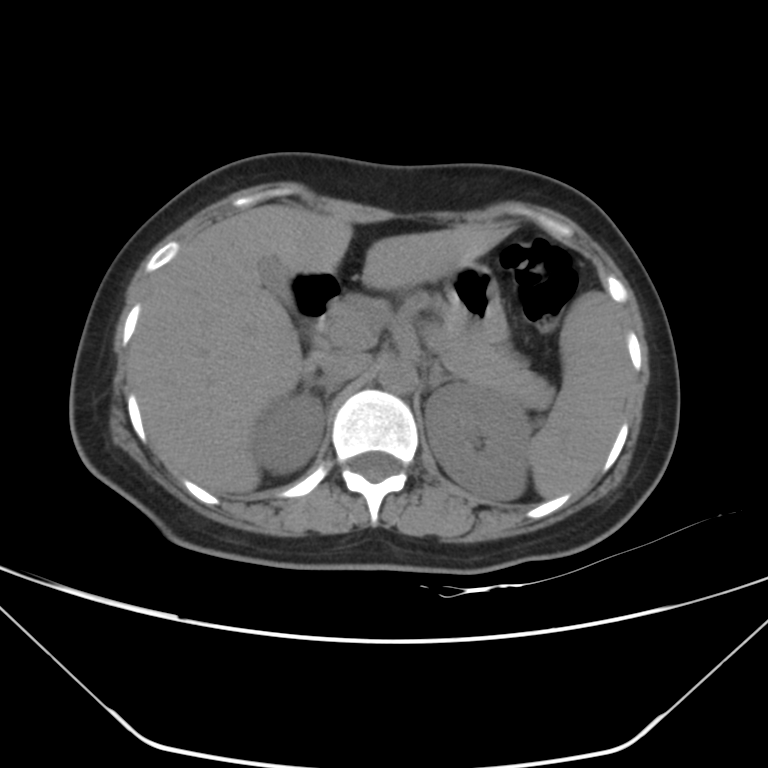
Computed tomography, abdomen · axial plane, index 64 · 768x768 px
Bounding boxes as [x1, y1, x2, y2] in pixel coordinates.
Organ bounding boxes:
- spleen: [529, 291, 630, 498]
- right kidney: [252, 391, 324, 473]
- left kidney: [425, 384, 530, 501]
- gall bladder: [259, 255, 292, 307]
- liver: [129, 205, 505, 493]
- stomach: [445, 262, 506, 345]
- aorta: [379, 359, 417, 393]
- inferior vena cava: [323, 352, 371, 381]
- pancreas: [406, 293, 552, 410]
- right adrenal gland: [304, 379, 341, 400]
- left adrenal gland: [428, 364, 452, 388]
- duodenum: [299, 274, 342, 333]